Abdominal CT — axial view — soft-tissue window — 512x512 px — acquired on SOMATOM Force — scan has 15 labeled organs (that count is for the whole scan; organs this slice misses have no box)
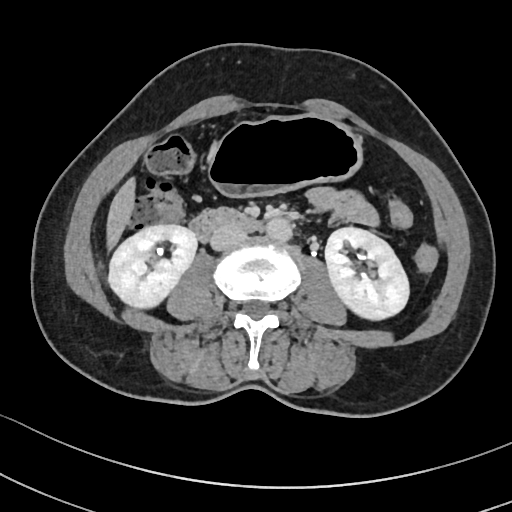
{"organs":{"inferior vena cava":[210,225,246,250],"aorta":[266,218,292,242],"liver":[106,178,135,248],"left kidney":[325,227,409,320],"right kidney":[108,224,197,308],"stomach":[210,116,362,198],"duodenum":[189,208,260,241]}}